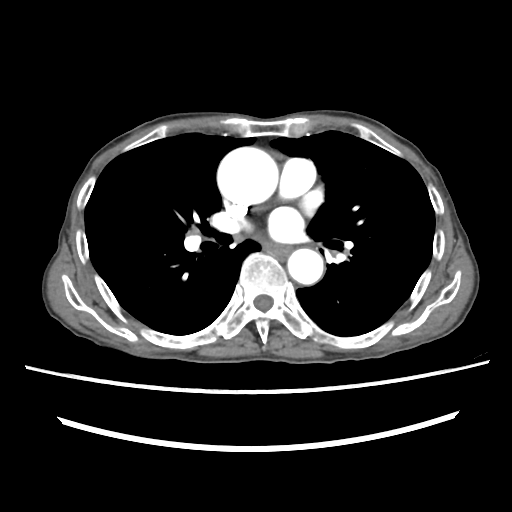
Chest-level CT slice, above the liver and spleen · axial plane, index 91 · soft-tissue window, W/L 400/40 · Aquilion ONE scanner
At this level of the chest this dataset labels only the esophagus and the aorta, and each is boxed only where it is labeled; the heart and lungs are never labeled.
Each box given as x1,y1,x2,y2.
esophagus: x1=264, y1=242, x2=289, y2=253
aorta: x1=217, y1=147, x2=278, y2=206
aorta: x1=287, y1=248, x2=323, y2=284